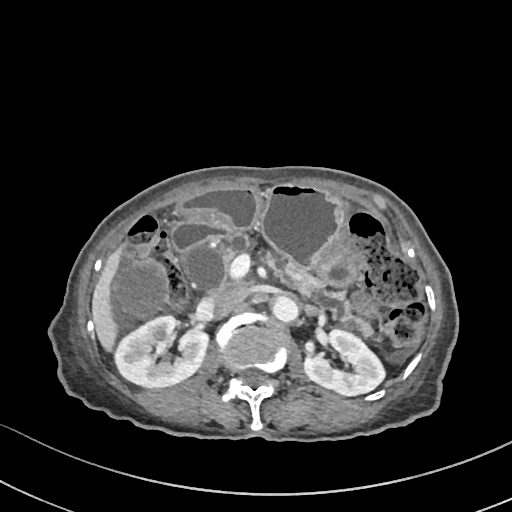
CT abdomen — Axial slice 168/236 — 512x512 px
Organ boxes in pixel coordinates; each row gives the top-left (x1, y1) and bottom-right (x2, y2) corners.
| organ | x1 | y1 | x2 | y2 |
|---|---|---|---|---|
| right kidney | 112 | 315 | 206 | 386 |
| left kidney | 305 | 328 | 385 | 395 |
| gall bladder | 115 | 263 | 166 | 316 |
| liver | 92 | 252 | 119 | 351 |
| stomach | 178 | 185 | 355 | 287 |
| aorta | 270 | 295 | 297 | 321 |
| inferior vena cava | 208 | 287 | 247 | 318 |
| pancreas | 220 | 234 | 373 | 334 |
| duodenum | 171 | 216 | 229 | 251 |